Computed tomography, abdomen; axial view
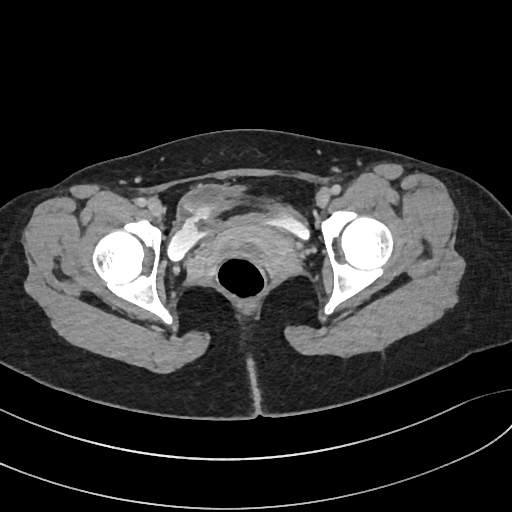
Organ boxes in pixel coordinates; each row gives the top-left (x1, y1) and bottom-right (x2, y2) corners.
| organ | x1 | y1 | x2 | y2 |
|---|---|---|---|---|
| bladder | 168 | 182 | 309 | 259 |
| prostate/uterus | 213 | 225 | 295 | 270 |